Chest-level CT slice, above the liver and spleen — axial view — soft-tissue window, W/L 400/40
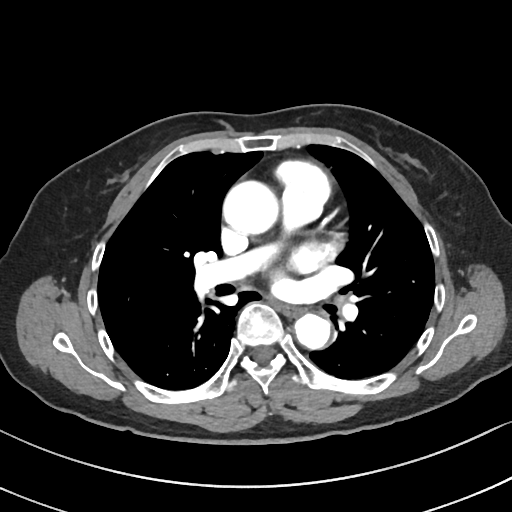
At this level of the chest this dataset labels only the esophagus and the aorta, and each is boxed only where it is labeled; the heart and lungs are never labeled.
Box edges are left/top/right/bottom in pixels.
aorta: left=224, top=181, right=280, bottom=235
aorta: left=294, top=313, right=330, bottom=349
esophagus: left=279, top=305, right=302, bottom=316